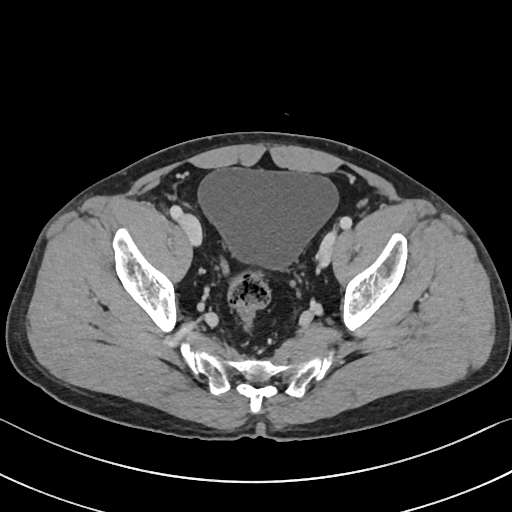

CT abdomen; axial view; soft-tissue window (W 400 / L 40)
Bounding boxes as [x1, y1, x2, y2] in pixel coordinates.
bladder: [198, 168, 338, 269]